CT of the abdomen reaching into the lower chest, slice just above the liver and spleen; axial view; soft-tissue window, W/L 400/40
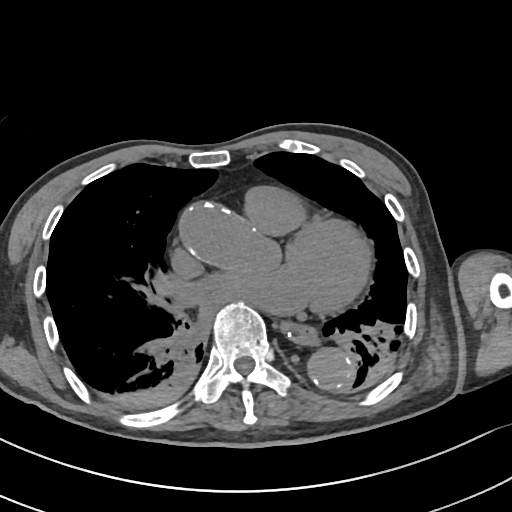
No part of the heart or lungs is labeled in this dataset, so neither has a box here.
<organs><organ name="aorta" x1="308" y1="351" x2="354" y2="389"/><organ name="esophagus" x1="283" y1="324" x2="317" y2="345"/></organs>